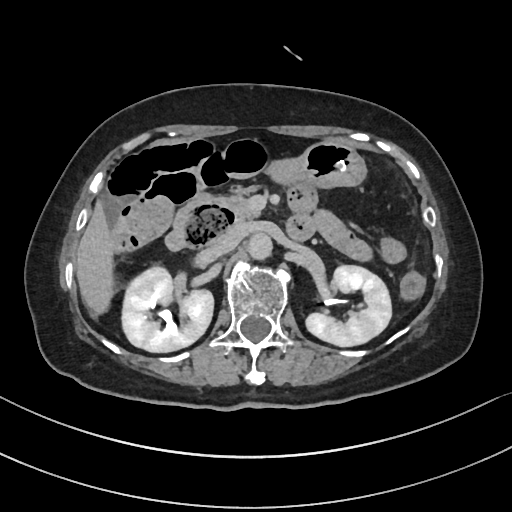 Computed tomography, abdomen · Axial slice 147/212 · W/L 400/40 HU · 512x512 px · acquired on SOMATOM Force
<organs><organ name="right kidney" x1="122" y1="267" x2="213" y2="352"/><organ name="left kidney" x1="306" y1="266" x2="391" y2="346"/><organ name="liver" x1="76" y1="204" x2="115" y2="314"/><organ name="stomach" x1="273" y1="140" x2="365" y2="187"/><organ name="aorta" x1="248" y1="233" x2="274" y2="258"/><organ name="inferior vena cava" x1="210" y1="228" x2="244" y2="256"/><organ name="pancreas" x1="194" y1="192" x2="257" y2="222"/><organ name="duodenum" x1="166" y1="198" x2="313" y2="250"/></organs>